MRI, abdomen · Axial slice 32/72 · 576x468 px
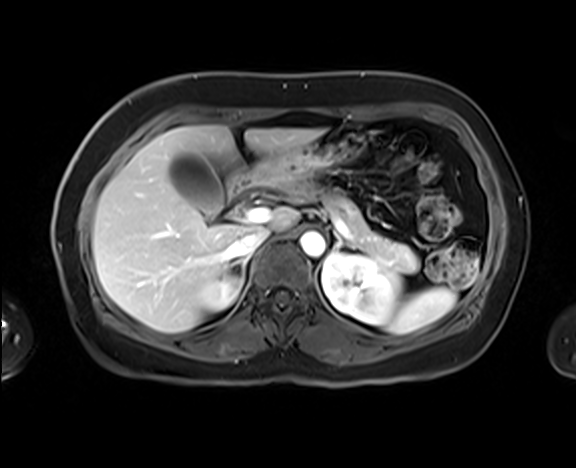

<organs><organ name="inferior vena cava" x1="227" y1="228" x2="268" y2="258"/><organ name="aorta" x1="299" y1="231" x2="325" y2="256"/><organ name="right kidney" x1="198" y1="274" x2="242" y2="312"/><organ name="right adrenal gland" x1="228" y1="256" x2="249" y2="280"/><organ name="duodenum" x1="229" y1="174" x2="252" y2="196"/><organ name="gall bladder" x1="169" y1="152" x2="223" y2="215"/><organ name="stomach" x1="239" y1="128" x2="363" y2="186"/><organ name="liver" x1="92" y1="125" x2="324" y2="332"/><organ name="spleen" x1="384" y1="287" x2="456" y2="333"/><organ name="left kidney" x1="322" y1="253" x2="401" y2="325"/><organ name="pancreas" x1="293" y1="186" x2="419" y2="273"/><organ name="left adrenal gland" x1="333" y1="235" x2="354" y2="251"/></organs>